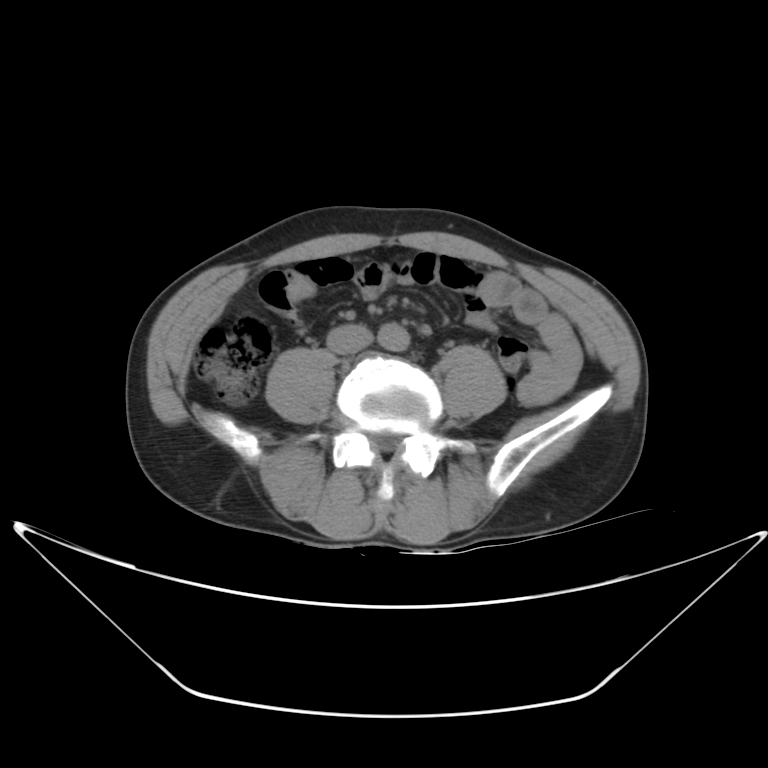 Abdominal CT. axial plane, index 43. W/L 400/40 HU. 51-year-old male patient. acquired on Brilliance16
Each box given as x1,y1,x2,y2.
Organ bounding boxes:
- aorta: x1=374, y1=326, x2=407, y2=350
- inferior vena cava: x1=326, y1=326, x2=373, y2=354